CT, abdomen/pelvis · axial view · soft-tissue window (W 400 / L 40)
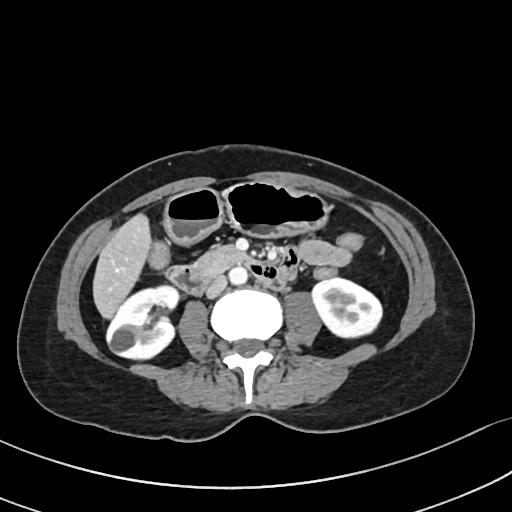
Coordinates as <box>x1,y1,x2,y2</box> in pixels.
right kidney: <box>107,286,179,357</box>
left kidney: <box>311,278,383,338</box>
liver: <box>92,213,149,320</box>
stomach: <box>166,181,332,245</box>
aorta: <box>229,267,247,285</box>
inferior vena cava: <box>206,276,227,298</box>
pancreas: <box>194,246,238,278</box>
duodenum: <box>164,253,285,295</box>